Abdominal CT · Axial slice 56/68 · 768x768 px · scan has 15 labeled organs (that count is for the whole scan; organs this slice misses have no box)
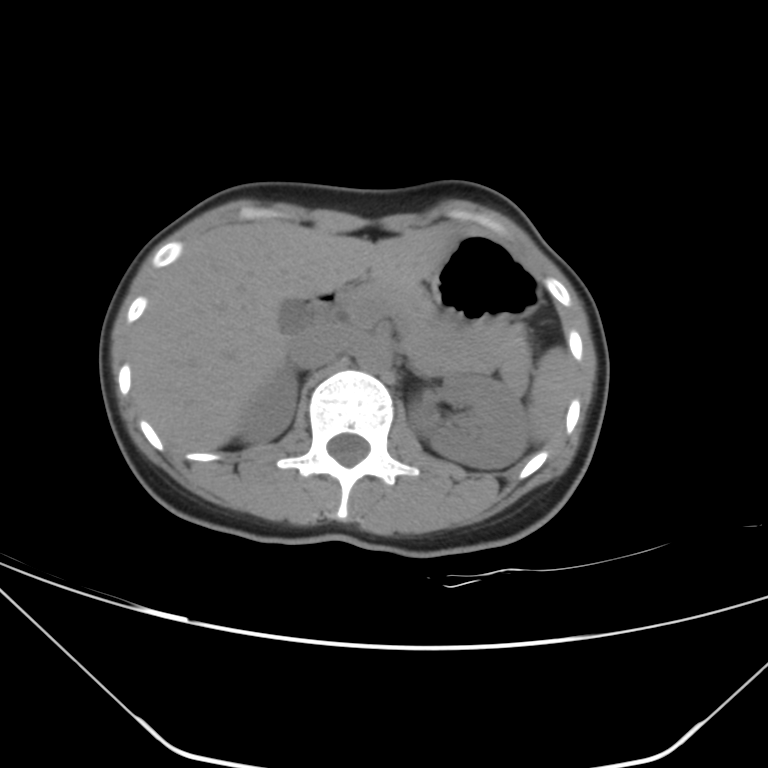

Bounding boxes in pixels, one row per box: x1, y1 is the top-left corner and x2, y2 the bottom-right.
| organ | x1 | y1 | x2 | y2 |
|---|---|---|---|---|
| spleen | 526 | 347 | 572 | 443 |
| right kidney | 238 | 369 | 298 | 443 |
| left kidney | 409 | 375 | 527 | 468 |
| gall bladder | 280 | 300 | 311 | 334 |
| liver | 131 | 219 | 456 | 451 |
| stomach | 431 | 235 | 541 | 323 |
| aorta | 356 | 342 | 391 | 372 |
| inferior vena cava | 288 | 324 | 355 | 368 |
| pancreas | 342 | 283 | 531 | 387 |
| duodenum | 311 | 292 | 341 | 323 |